Abdominal CT reaching into the chest; this slice is in the chest. axial plane, index 227. soft-tissue window
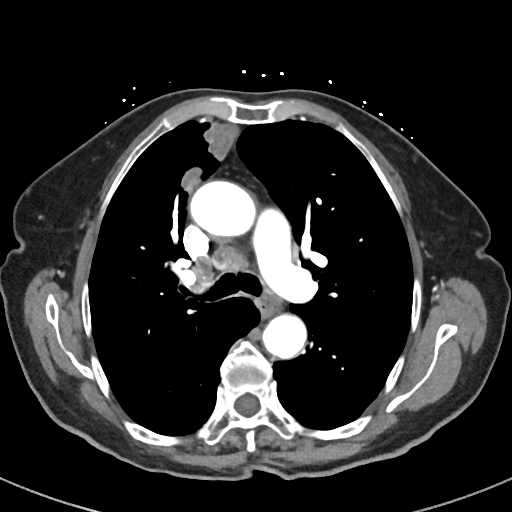 At this level of the chest this dataset labels only the esophagus and the aorta, and each is boxed only where it is labeled; the heart and lungs are never labeled.
Coordinates as <box>x1,y1,x2,y2</box> in pixels.
Organ bounding boxes:
- esophagus: <box>258,291,279,314</box>
- aorta: <box>190,180,255,236</box>
- aorta: <box>262,314,306,359</box>